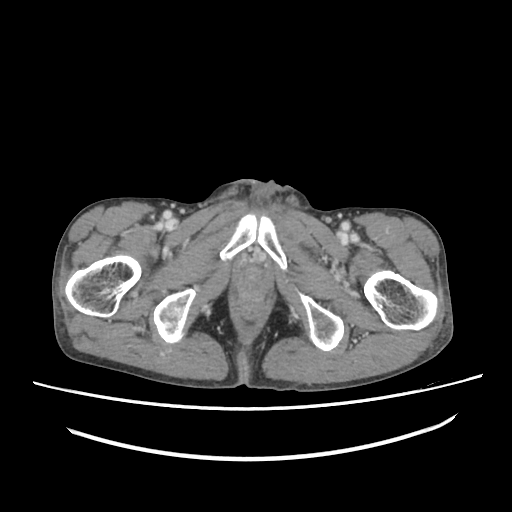

Abdominal CT; axial plane, index 3; W/L 400/40 HU; 59-year-old male patient; Aquilion ONE scanner
Bounding boxes as [x1, y1, x2, y2] in pixel coordinates.
Organ bounding boxes:
- prostate/uterus: [243, 271, 264, 286]